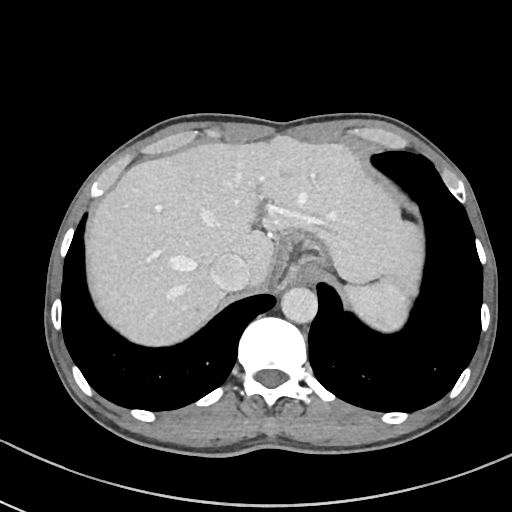 CT abdomen; axial plane, index 178; 512x512 px; SOMATOM Force scanner; scan has 15 labeled organs (a whole-scan count: organs this slice does not pass through have no box)
<organs><organ name="stomach" x1="273" y1="234" x2="327" y2="290"/><organ name="aorta" x1="281" y1="287" x2="318" y2="324"/><organ name="spleen" x1="343" y1="280" x2="409" y2="330"/><organ name="liver" x1="88" y1="136" x2="423" y2="347"/><organ name="inferior vena cava" x1="209" y1="253" x2="250" y2="290"/></organs>